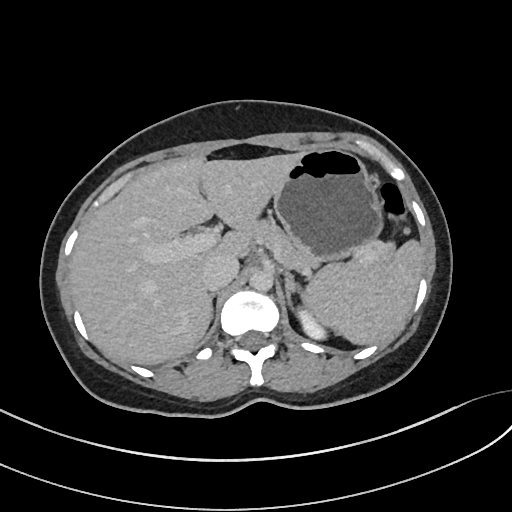 CT, abdomen/pelvis; axial view; abdomen soft-tissue window; 512x512 px; scan has 15 labeled organs (counted over the whole 3D scan, not this slice; an organ is boxed only where this slice passes through it)
Box edges are left/top/right/bottom in pixels.
spleen: left=305, top=240, right=423, bottom=344
left kidney: left=297, top=308, right=326, bottom=339
liver: left=70, top=153, right=300, bottom=364
stomach: left=273, top=147, right=382, bottom=266
aorta: left=249, top=269, right=272, bottom=291
inferior vena cava: left=202, top=256, right=238, bottom=290
pancreas: left=256, top=220, right=393, bottom=269
right adrenal gland: left=210, top=293, right=215, bottom=311
left adrenal gland: left=284, top=271, right=300, bottom=308